CT abdomen — axial view — abdomen soft-tissue window
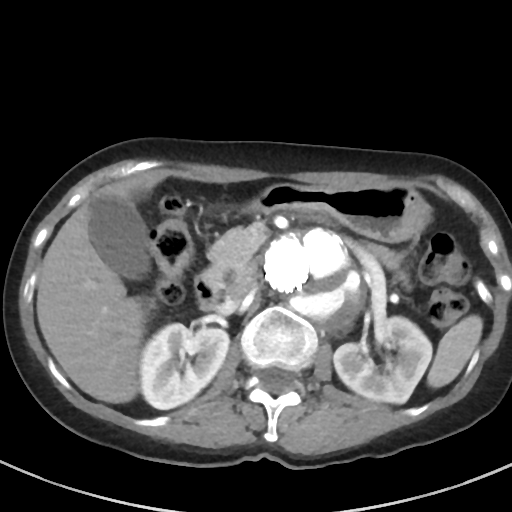
<organs><organ name="spleen" x1="427" y1="315" x2="482" y2="387"/><organ name="right kidney" x1="140" y1="323" x2="229" y2="409"/><organ name="left kidney" x1="333" y1="316" x2="431" y2="403"/><organ name="gall bladder" x1="89" y1="195" x2="149" y2="279"/><organ name="liver" x1="36" y1="172" x2="162" y2="403"/><organ name="stomach" x1="242" y1="183" x2="431" y2="242"/><organ name="aorta" x1="265" y1="228" x2="361" y2="330"/><organ name="inferior vena cava" x1="228" y1="266" x2="255" y2="302"/><organ name="pancreas" x1="207" y1="227" x2="266" y2="280"/><organ name="duodenum" x1="194" y1="269" x2="221" y2="310"/></organs>